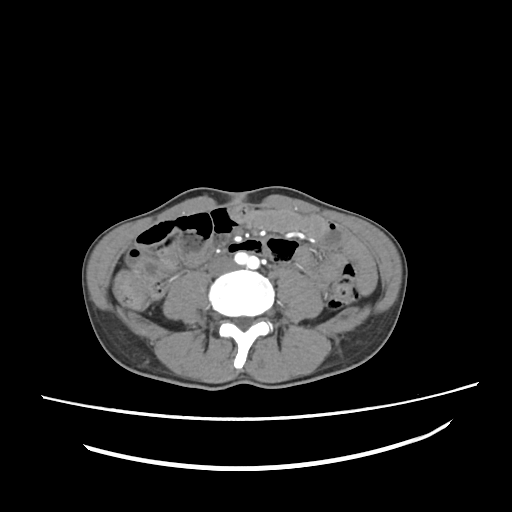

CT abdomen · Axial slice 49/133 · soft-tissue window · 50-year-old male patient
{"organs":{"inferior vena cava":[208,256,234,275]}}